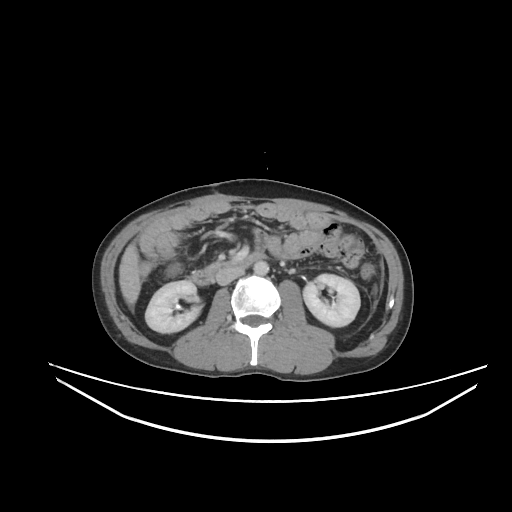
Computed tomography, abdomen · axial view
Bounding boxes as [x1, y1, x2, y2] in pixel coordinates.
Organ bounding boxes:
- right kidney: [145, 280, 200, 332]
- left kidney: [303, 274, 360, 326]
- liver: [119, 243, 140, 303]
- aorta: [253, 260, 269, 275]
- inferior vena cava: [216, 268, 244, 285]
- duodenum: [191, 251, 265, 285]